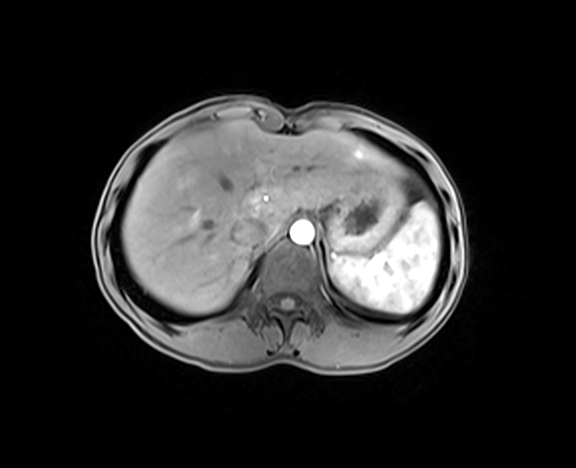 Magnetic resonance imaging, abdomen — axial plane, index 51
<organs><organ name="spleen" x1="331" y1="202" x2="439" y2="313"/><organ name="liver" x1="122" y1="120" x2="403" y2="313"/><organ name="stomach" x1="328" y1="180" x2="405" y2="253"/><organ name="aorta" x1="290" y1="220" x2="313" y2="244"/><organ name="inferior vena cava" x1="229" y1="219" x2="267" y2="249"/><organ name="left adrenal gland" x1="323" y1="239" x2="329" y2="264"/></organs>